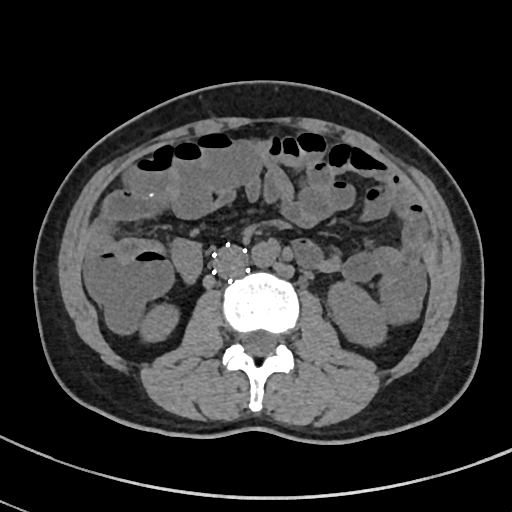 Computed tomography, abdomen. axial view. W/L 400/40 HU
{"organs":{"right kidney":[141,304,180,341],"left kidney":[328,280,387,344],"aorta":[251,240,277,268],"inferior vena cava":[213,245,249,278]}}